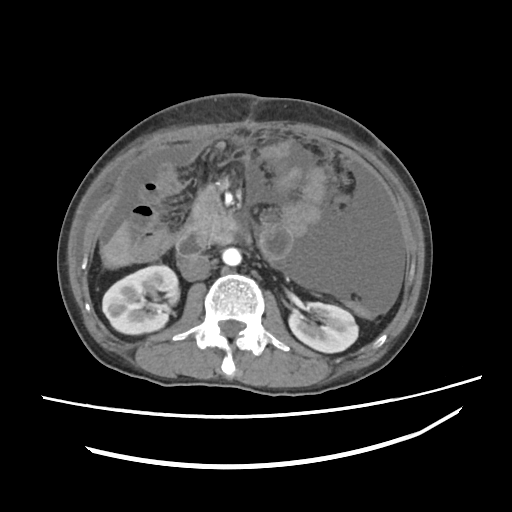
CT, abdomen/pelvis; axial view; 512x512 px; 50-year-old male patient; acquired on Aquilion ONE
Boxes: x1:y1:x2:y2 in pixels.
Organ bounding boxes:
- right kidney: 101:265:179:335
- left kidney: 289:303:358:352
- liver: 101:221:132:266
- aorta: 222:248:242:266
- inferior vena cava: 180:254:211:281
- pancreas: 189:188:221:236
- duodenum: 176:211:237:255